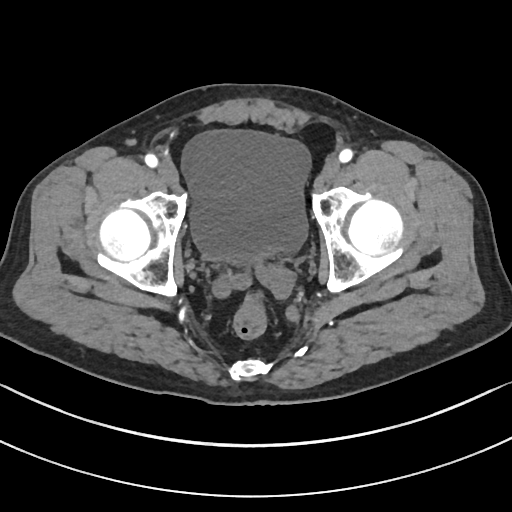
Abdominal CT — axial view — 512x512 px
Each box given as x1,y1,x2,y2.
Organ bounding boxes:
- bladder: x1=182, y1=131, x2=309, y2=262